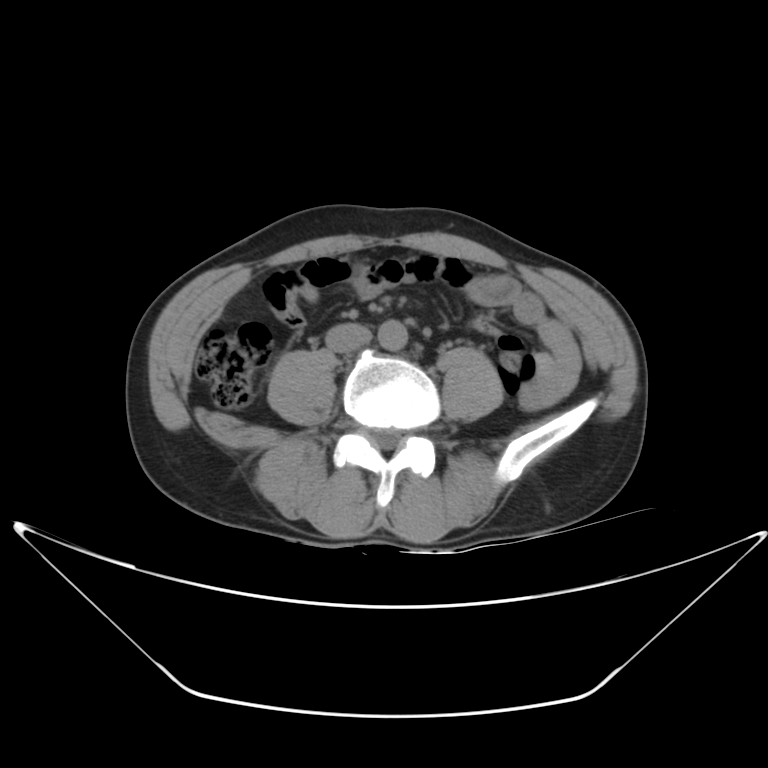

CT, abdomen/pelvis · axial view · 51-year-old male patient
One row per box, in pixels: columns x1 and y1 give the top-left corner, x2 and y2 the bottom-right.
| organ | x1 | y1 | x2 | y2 |
|---|---|---|---|---|
| aorta | 377 | 321 | 408 | 350 |
| inferior vena cava | 325 | 323 | 372 | 350 |